Abdominal CT · Axial slice 67/82 · 512x512 px · acquired on Aquilion ONE
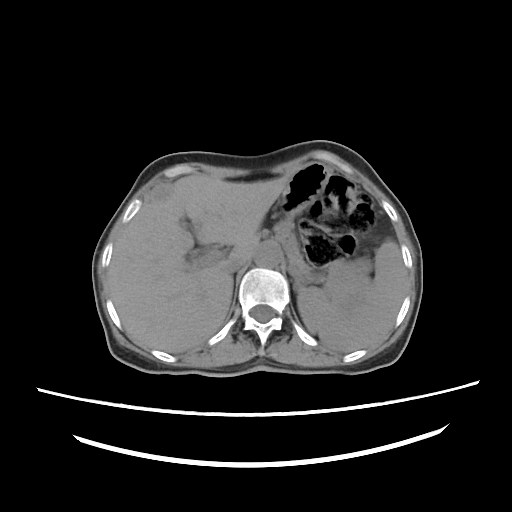

Bounding boxes in pixels, one row per box: x1, y1 is the top-left corner and x2, y2 the bottom-right.
| organ | x1 | y1 | x2 | y2 |
|---|---|---|---|---|
| spleen | 297 | 239 | 406 | 352 |
| liver | 108 | 176 | 288 | 353 |
| stomach | 281 | 163 | 370 | 309 |
| aorta | 255 | 242 | 281 | 267 |
| inferior vena cava | 225 | 259 | 248 | 273 |
| pancreas | 274 | 219 | 309 | 273 |